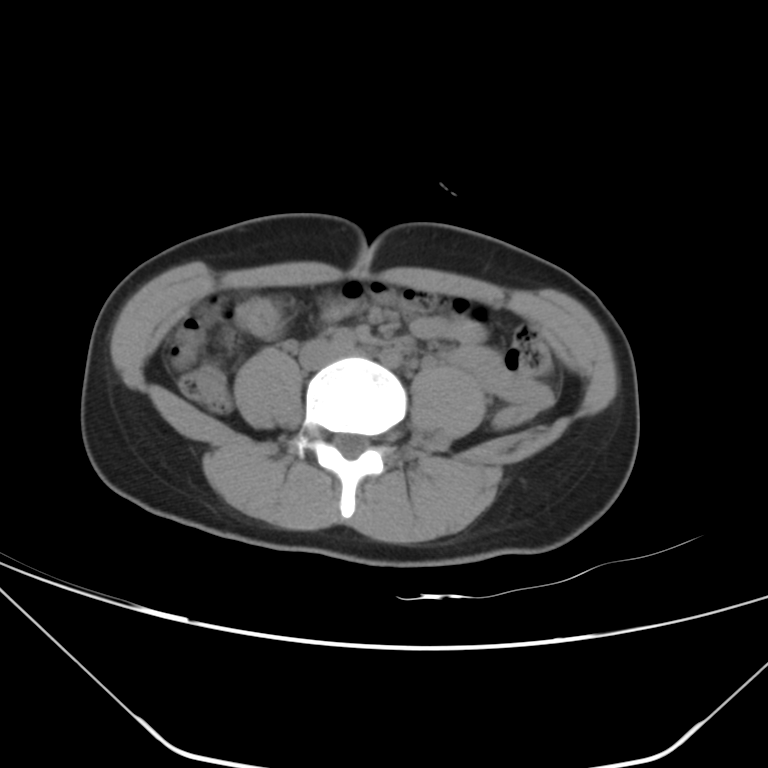

Abdominal CT. axial view. abdomen soft-tissue window. 768x768 px
Coordinates as <box>x1,y1,x2,y2</box> in pixels. The annotated organs in this slice are: inferior vena cava at <box>300,338,344,368</box>.